Abdominal MR; Axial slice 30/72; 1st–99th percentile window; 320x260 px
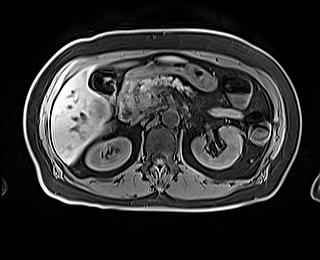
Boxes: x1:y1:x2:y2 in pixels. The annotated organs in this slice are: aorta at 162:110:178:125, inferior vena cava at 134:110:152:122, gall bladder at 93:74:115:97, liver at 51:57:179:164, stomach at 126:61:216:89, right kidney at 86:137:131:170, duodenum at 118:77:139:121, left kidney at 191:126:242:169, pancreas at 128:76:194:108.